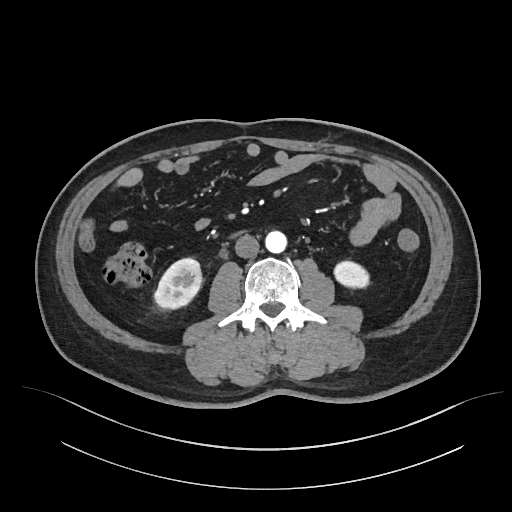

CT, abdomen/pelvis; axial plane, index 134; scan has 15 labeled organs (a whole-scan count: organs this slice does not pass through have no box)
Organ boxes in pixel coordinates; each row gives the top-left (x1, y1) and bottom-right (x2, y2) corners.
| organ | x1 | y1 | x2 | y2 |
|---|---|---|---|---|
| right kidney | 156 | 259 | 201 | 306 |
| left kidney | 334 | 261 | 371 | 288 |
| aorta | 265 | 230 | 286 | 252 |
| inferior vena cava | 235 | 234 | 259 | 257 |